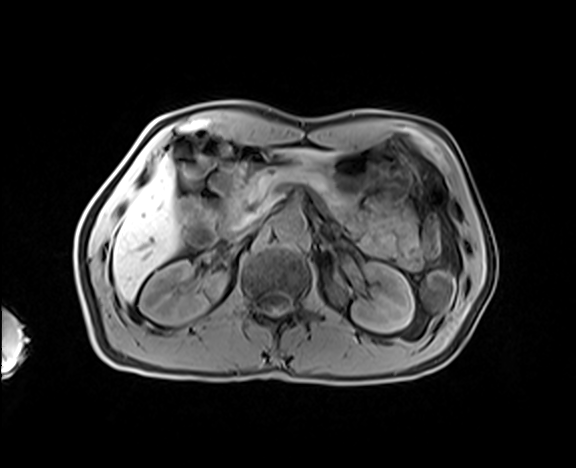

Abdominal MR · axial view · percentile-normalized
{"organs":{"right kidney":[139,261,226,323],"liver":[112,149,334,301],"stomach":[252,151,409,202],"pancreas":[245,167,348,210],"duodenum":[219,159,257,240],"inferior vena cava":[233,216,259,239],"left kidney":[331,262,414,332],"aorta":[274,210,305,241]}}